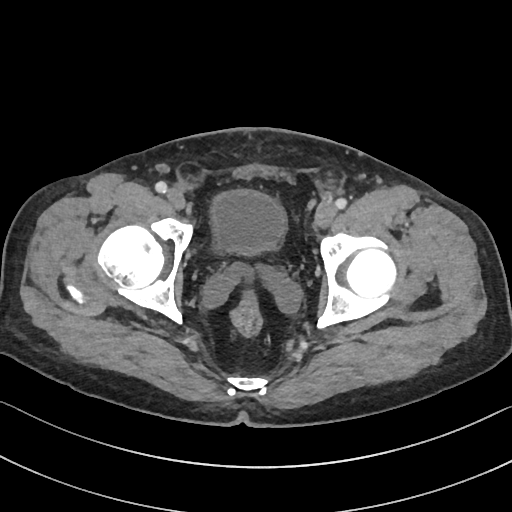

Abdominal CT — axial view — 512x512 px — 14 organs annotated in this scan (a whole-scan count: organs this slice does not pass through have no box)
Bounding boxes in pixels, one row per box: x1, y1 is the top-left corner and x2, y2 the bottom-right.
| organ | x1 | y1 | x2 | y2 |
|---|---|---|---|---|
| bladder | 211 | 190 | 285 | 256 |